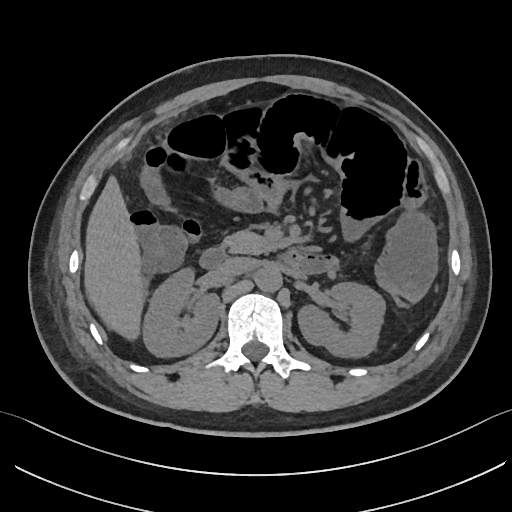

CT, abdomen/pelvis — axial view — soft-tissue window (W 400 / L 40) — 512x512 px — acquired on SOMATOM Force
{"organs":{"right kidney":[143,267,219,356],"left kidney":[297,282,385,357],"liver":[84,176,143,339],"aorta":[254,266,282,292],"inferior vena cava":[218,257,254,276],"pancreas":[223,231,282,254],"duodenum":[199,246,302,268]}}